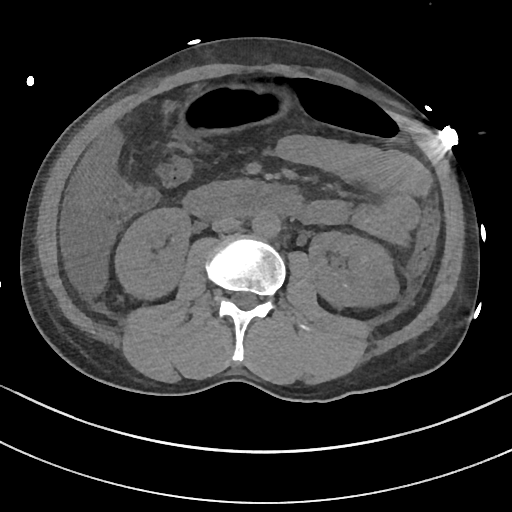
CT abdomen — axial view — soft-tissue window (W 400 / L 40) — 512x512 px
Bounding boxes as [x1, y1, x2, y2] in pixel coordinates.
aorta: [251, 210, 280, 237]
inferior vena cava: [212, 216, 240, 231]
duodenum: [184, 180, 302, 217]
liver: [77, 130, 120, 215]
right kidney: [116, 208, 189, 297]
stomach: [187, 92, 262, 127]
left kidney: [308, 231, 397, 305]